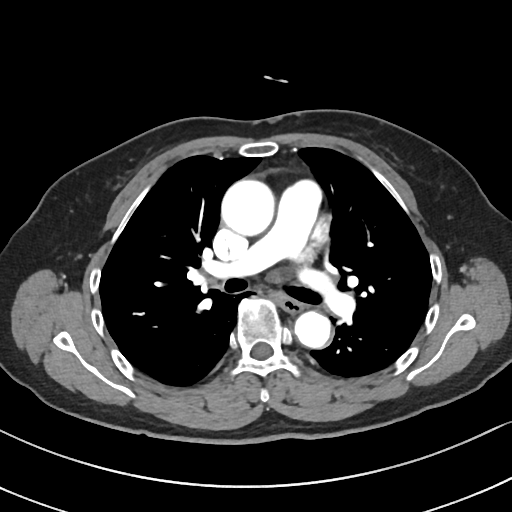 CT of the abdomen extending into the chest, slice through the chest · axial view
At this level of the chest no structure but the esophagus and the aorta has a label in this dataset, and those two are boxed only where they are labeled. Boxes are (x1, y1, x2, y2) in pixels. Labeled organs on this slice: esophagus at (280, 298, 304, 313), aorta at (221, 180, 275, 236), aorta at (294, 310, 334, 348).